Abdominal CT · axial view
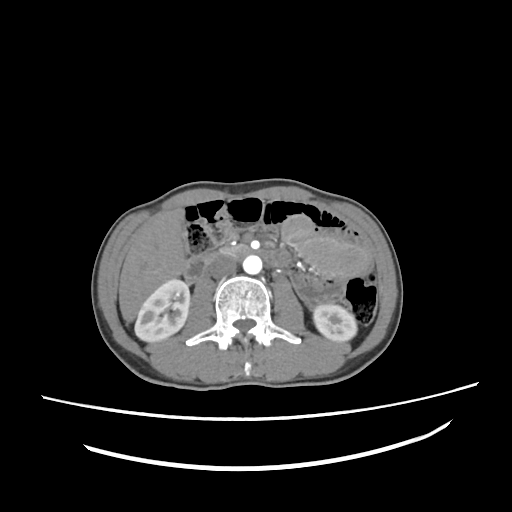
One row per box, in pixels: columns x1 and y1 give the top-left corner, x2 and y2 the bottom-right.
| organ | x1 | y1 | x2 | y2 |
|---|---|---|---|---|
| right kidney | 134 | 279 | 189 | 342 |
| left kidney | 313 | 304 | 356 | 341 |
| liver | 118 | 209 | 185 | 322 |
| aorta | 243 | 255 | 261 | 274 |
| inferior vena cava | 208 | 256 | 237 | 278 |
| pancreas | 219 | 245 | 249 | 256 |
| duodenum | 183 | 248 | 289 | 282 |